CT abdomen; axial plane, index 73; 61-year-old female patient
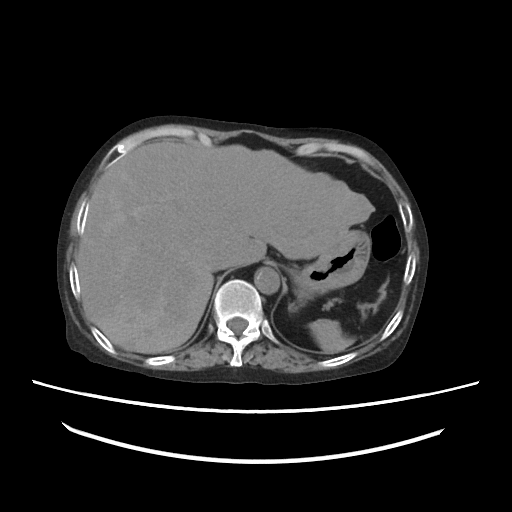

<organs><organ name="stomach" x1="290" y1="230" x2="371" y2="304"/><organ name="liver" x1="77" y1="140" x2="374" y2="353"/><organ name="inferior vena cava" x1="208" y1="253" x2="231" y2="271"/><organ name="spleen" x1="309" y1="319" x2="354" y2="353"/><organ name="aorta" x1="254" y1="267" x2="279" y2="294"/></organs>